Computed tomography, abdomen; axial view; 512x512 px; 48-year-old female patient
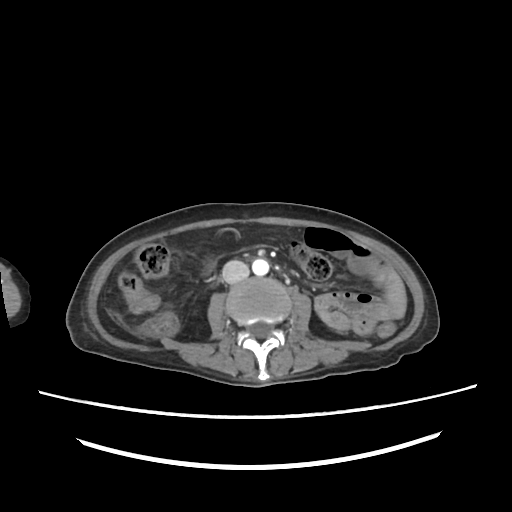 {"organs":{"aorta":[252,259,268,275],"inferior vena cava":[222,260,249,283]}}